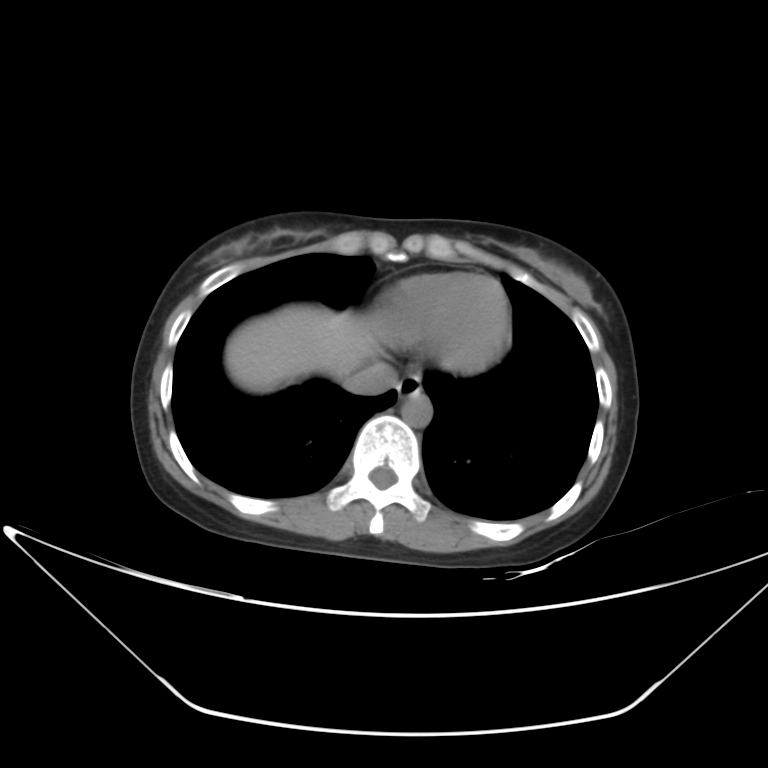
CT abdomen; Axial slice 79/81; soft-tissue window; 768x768 px; 28-year-old female patient; Brilliance16 scanner; scan has 15 labeled organs (a whole-scan count: organs this slice does not pass through have no box)
One row per box, in pixels: columns x1 and y1 give the top-left corner, x2 and y2 the bottom-right.
| organ | x1 | y1 | x2 | y2 |
|---|---|---|---|---|
| esophagus | 395 | 376 | 420 | 399 |
| liver | 224 | 305 | 378 | 393 |
| aorta | 400 | 394 | 431 | 427 |
| inferior vena cava | 344 | 362 | 396 | 394 |